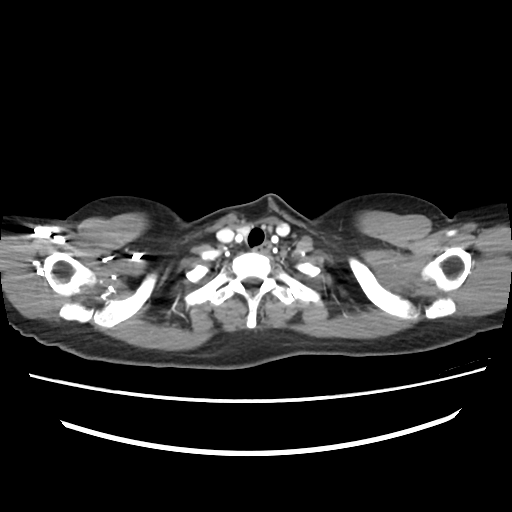 Chest-level CT slice, above the liver and spleen — axial view — 45-year-old female patient
At this level of the chest this dataset labels only the esophagus and the aorta, and each is boxed only where it is labeled; the heart and lungs are never labeled.
Bounding boxes as [x1, y1, x2, y2] in pixel coordinates.
esophagus: [253, 242, 270, 253]